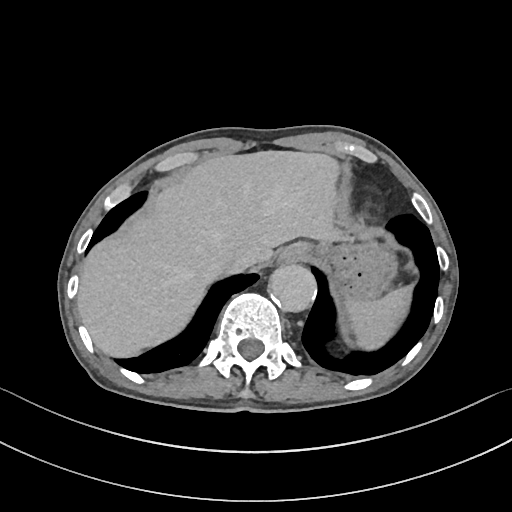
Abdominal CT; axial plane, index 178; W/L 400/40 HU
Coordinates as <box>x1,y1,x2,y2</box> in pixels. 6 labeled organs on this slice — spleen at <box>341,285,411,350</box>; esophagus at <box>278,243,312,263</box>; liver at <box>76,150,346,357</box>; stomach at <box>309,242,398,300</box>; aorta at <box>267,263,315,311</box>; inferior vena cava at <box>209,252,245,273</box>.